Lower-chest slice from an abdominal CT, just above the liver and spleen. axial plane, index 344. W/L 400/40 HU
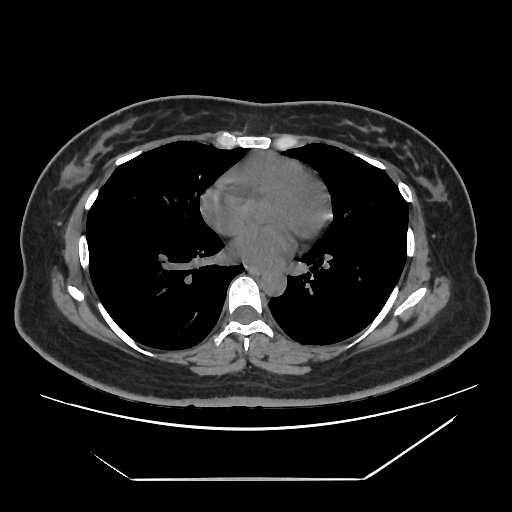

Of the structures in the chest, this dataset labels only the esophagus, the aorta and the inferior vena cava; the heart and lungs have no label.
Bounding boxes as [x1, y1, x2, y2] in pixel coordinates.
aorta: [260, 269, 286, 294]
esophagus: [248, 266, 261, 273]